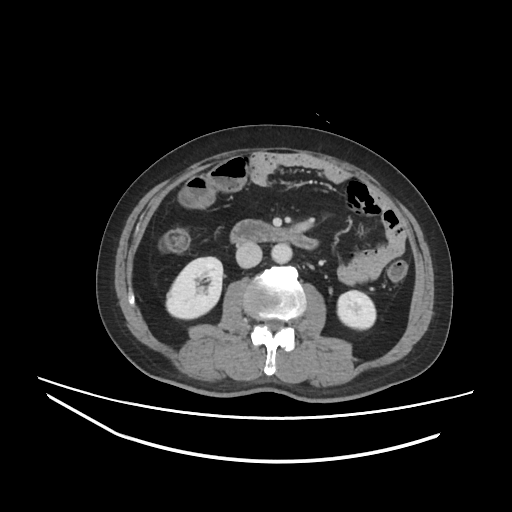 Computed tomography, abdomen; axial view; soft-tissue window (W 400 / L 40); 512x512 px; Aquilion ONE scanner
{"organs":{"right kidney":[166,256,222,318],"left kidney":[337,290,375,328],"aorta":[271,243,292,263],"inferior vena cava":[236,242,262,268],"duodenum":[230,219,318,249]}}